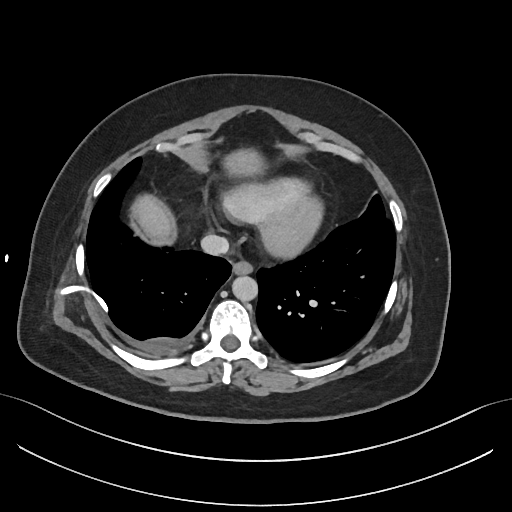
Computed tomography, abdomen — axial view — W/L 400/40 HU — 512x512 px
Boxes: x1:y1:x2:y2 in pixels.
Organ bounding boxes:
- esophagus: 231:262:252:276
- liver: 134:153:257:239
- aorta: 232:276:258:301
- inferior vena cava: 201:234:228:255